CT abdomen — axial view
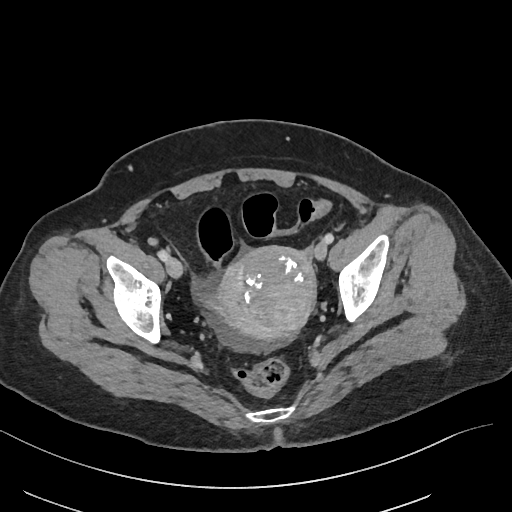 Each box given as x1,y1,x2,y2. Labeled organs on this slice: prostate/uterus at x1=219, y1=246, x2=315, y2=340.